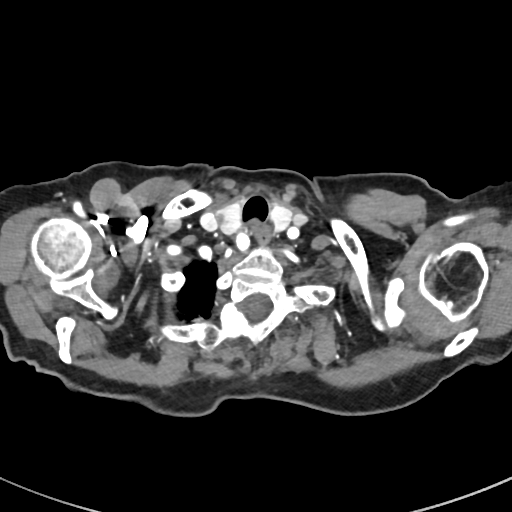

CT of the abdomen extending into the chest, slice through the chest; axial plane, index 269; W/L 400/40 HU; SOMATOM Force scanner; scan has 15 labeled organs (that count is for the whole scan; organs this slice misses have no box)
At this level of the chest this dataset labels only the esophagus and the aorta, and each is boxed only where it is labeled; the heart and lungs are never labeled.
Organ boxes in pixel coordinates; each row gives the top-left (x1, y1) and bottom-right (x2, y2) corners.
| organ | x1 | y1 | x2 | y2 |
|---|---|---|---|---|
| esophagus | 255 | 229 | 269 | 247 |